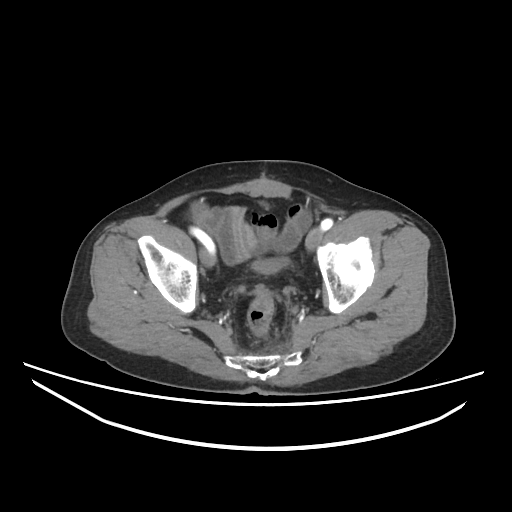
CT abdomen · axial view · scan has 15 labeled organs (a whole-scan count: organs this slice does not pass through have no box)
Box edges are left/top/right/bottom in pixels. 1 labeled organ on this slice — bladder at left=252, top=257, right=289, bottom=273.